Computed tomography, abdomen. axial plane, index 117
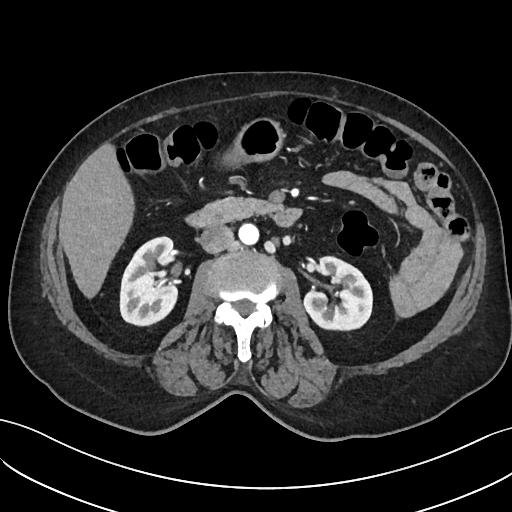 Boxes are (x1, y1, x2, y2) in pixels. 8 labeled organs on this slice — right kidney at (119, 236, 177, 324); inferior vena cava at (200, 225, 234, 253); stomach at (230, 119, 282, 161); left kidney at (304, 256, 372, 328); liver at (58, 145, 133, 297); duodenum at (186, 207, 300, 227); aorta at (238, 223, 258, 244); pancreas at (199, 197, 276, 219).